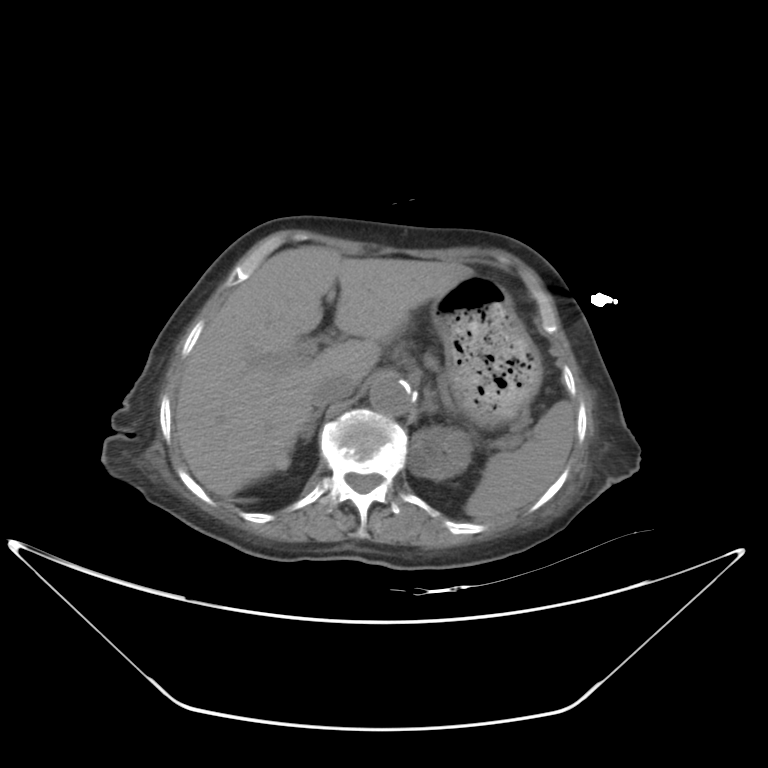
Abdominal CT. axial view. acquired on Brilliance16
One row per box, in pixels: columns x1 and y1 give the top-left corner, x2 and y2 the bottom-right.
| organ | x1 | y1 | x2 | y2 |
|---|---|---|---|---|
| spleen | 464 | 401 | 575 | 520 |
| right kidney | 278 | 461 | 288 | 470 |
| left kidney | 409 | 425 | 471 | 480 |
| liver | 175 | 246 | 473 | 496 |
| stomach | 430 | 273 | 542 | 427 |
| aorta | 369 | 374 | 412 | 416 |
| inferior vena cava | 311 | 374 | 355 | 406 |
| right adrenal gland | 301 | 409 | 322 | 440 |
| left adrenal gland | 418 | 389 | 437 | 413 |